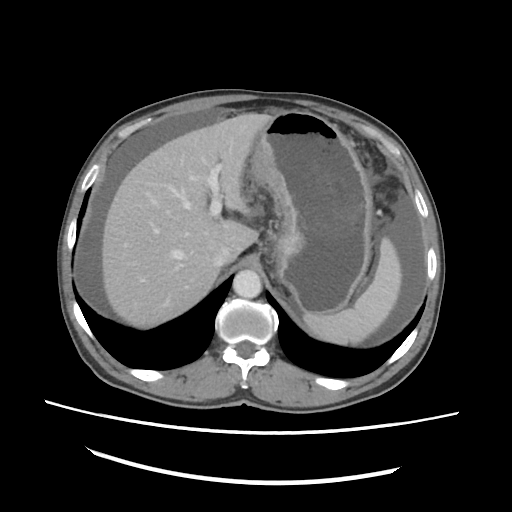

Computed tomography, abdomen. Axial slice 63/112. W/L 400/40 HU. 61-year-old male patient. Aquilion ONE scanner
{"organs":{"inferior vena cava":[211,245,236,267],"stomach":[249,111,372,314],"spleen":[303,237,401,344],"liver":[101,113,272,327],"aorta":[233,270,261,298]}}